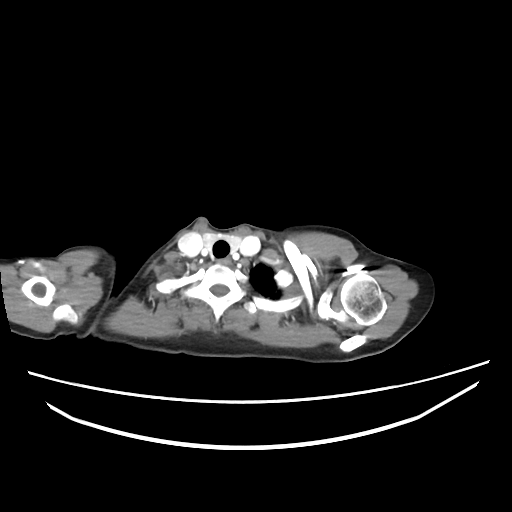 Abdominal CT reaching into the chest; this slice is in the chest; axial plane, index 112; 43-year-old female patient; acquired on Aquilion ONE
At this level of the chest this dataset labels only the esophagus and the aorta, and each is boxed only where it is labeled; the heart and lungs are never labeled. Boxes are (x1, y1, x2, y2) in pixels. Labeled organs on this slice: esophagus at (216, 256, 230, 265).